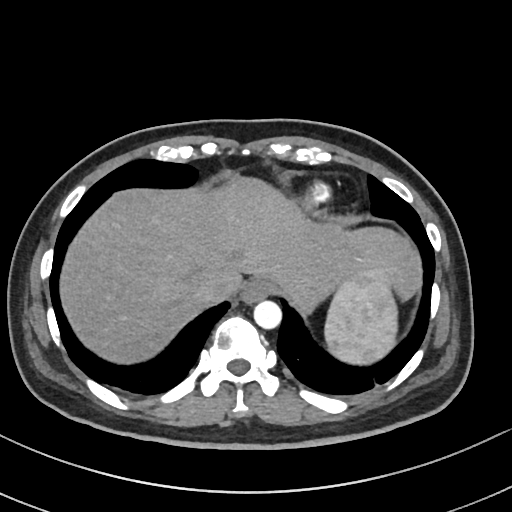
Abdominal CT · axial view · soft-tissue window (W 400 / L 40) · scan has 15 labeled organs (counted over the whole 3D scan, not this slice; an organ is boxed only where this slice passes through it)
Bounding boxes in pixels, one row per box: x1, y1 is the top-left corner and x2, y2 the bottom-right.
| organ | x1 | y1 | x2 | y2 |
|---|---|---|---|---|
| spleen | 324 | 266 | 397 | 364 |
| esophagus | 240 | 279 | 275 | 303 |
| liver | 60 | 176 | 420 | 363 |
| aorta | 253 | 300 | 281 | 329 |
| inferior vena cava | 189 | 277 | 228 | 305 |